CT abdomen · axial view · 512x512 px
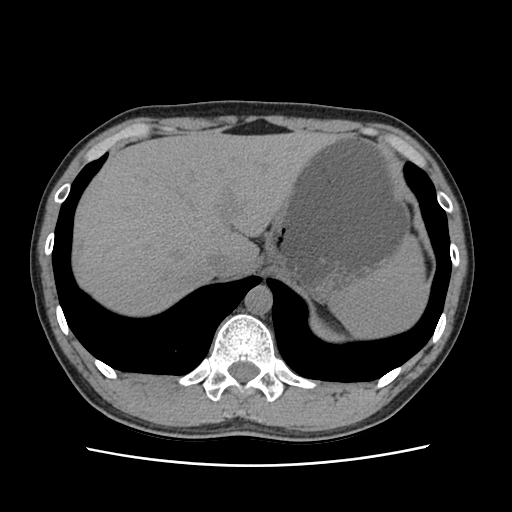

Boxes: x1:y1:x2:y2 in pixels.
Organ bounding boxes:
- spleen: 328:236:428:338
- liver: 72:130:336:316
- stomach: 265:137:410:300
- aorta: 244:285:272:314
- inferior vena cava: 206:250:243:275